CT abdomen; axial view; soft-tissue window; 45-year-old female patient; acquired on Aquilion ONE
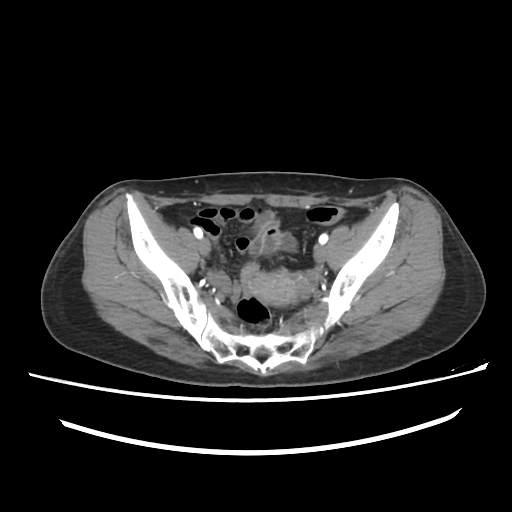 <organs><organ name="prostate/uterus" x1="253" y1="271" x2="298" y2="306"/></organs>